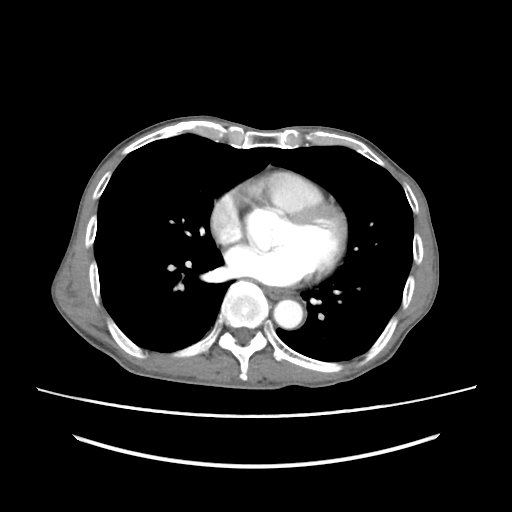 Abdominal CT reaching into the chest; this slice is in the chest · axial view · soft-tissue window (W 400 / L 40) · scan has 15 labeled organs (a whole-scan count: organs this slice does not pass through have no box)
At this level of the chest no structure but the esophagus and the aorta has a label in this dataset, and those two are boxed only where they are labeled.
Each box given as x1,y1,x2,y2.
Organ bounding boxes:
- esophagus: x1=266, y1=288, x2=290, y2=298
- aorta: x1=273, y1=299, x2=303, y2=328